Computed tomography, abdomen · Axial slice 113/218 · scan has 15 labeled organs (a whole-scan count: organs this slice does not pass through have no box)
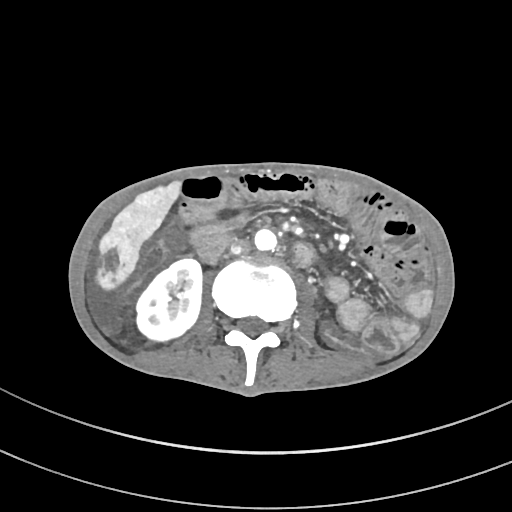
Boxes are (x1, y1, x2, y2) in pixels. The annotated organs in this slice are: right kidney at (137, 259, 201, 342), liver at (95, 180, 181, 288), aorta at (254, 228, 277, 251), inferior vena cava at (230, 239, 250, 253).